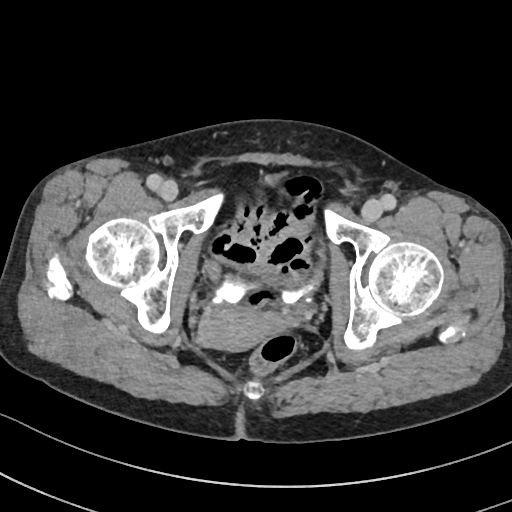

CT, abdomen/pelvis · axial view · acquired on SOMATOM Force · scan has 15 labeled organs (counted over the whole 3D scan, not this slice; an organ is boxed only where this slice passes through it)
Organ boxes in pixel coordinates; each row gives the top-left (x1, y1) and bottom-right (x2, y2) corners.
| organ | x1 | y1 | x2 | y2 |
|---|---|---|---|---|
| bladder | 214 | 271 | 321 | 302 |
| prostate/uterus | 198 | 308 | 292 | 352 |